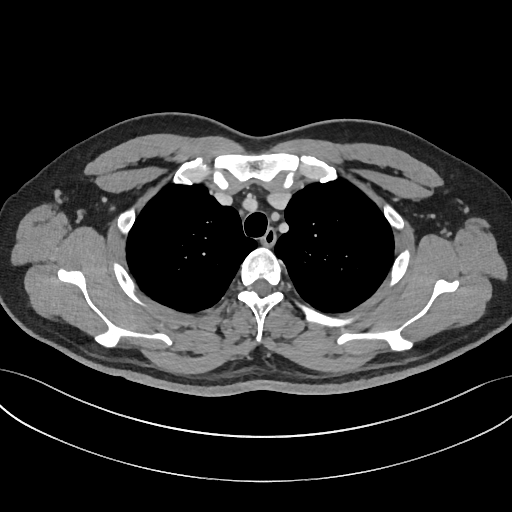 Chest-level slice from an abdominal CT that extends up into the chest — axial view — 512x512 px
At this level of the chest no structure but the esophagus and the aorta has a label in this dataset, and those two are boxed only where they are labeled.
Each box given as x1,y1,x2,y2.
Organ bounding boxes:
- esophagus: x1=261, y1=229, x2=276, y2=245